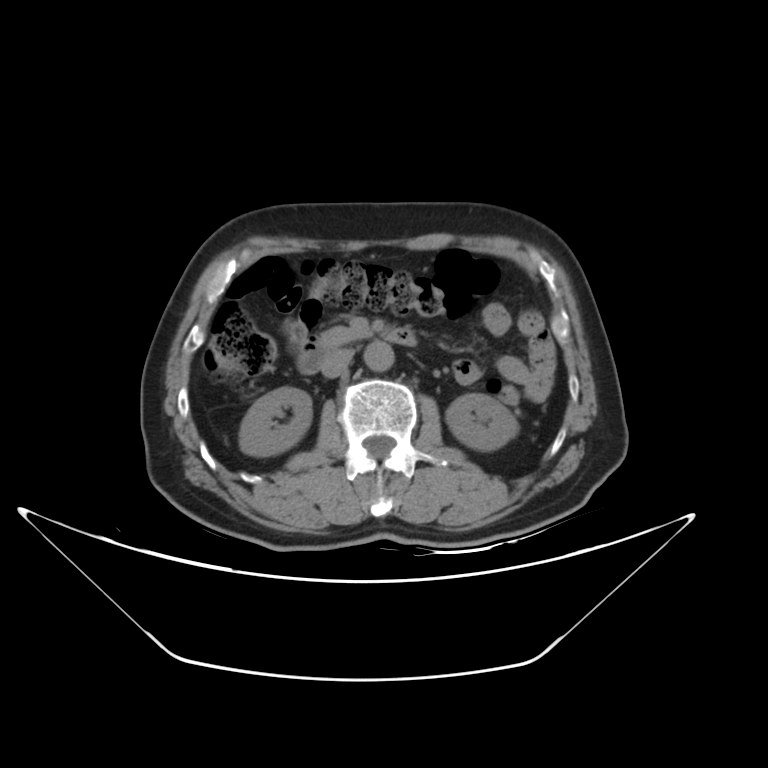

Computed tomography, abdomen — axial plane, index 69 — 71-year-old male patient — acquired on Brilliance16 — scan has 15 labeled organs (a whole-scan count: organs this slice does not pass through have no box)
Bounding boxes as [x1, y1, x2, y2] in pixel coordinates.
Organ bounding boxes:
- aorta: [364, 342, 393, 371]
- right kidney: [240, 388, 310, 456]
- pancreas: [321, 327, 374, 345]
- left kidney: [446, 394, 515, 451]
- inferior vena cava: [323, 348, 355, 376]
- duodenum: [296, 329, 415, 376]